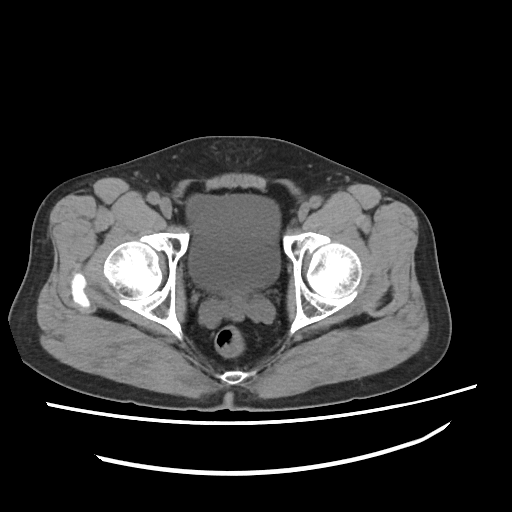
Abdominal CT; axial plane, index 16; abdomen soft-tissue window; 512x512 px; Aquilion ONE scanner; scan has 15 labeled organs (counted over the whole 3D scan, not this slice; an organ is boxed only where this slice passes through it)
Organ boxes in pixel coordinates; each row gives the top-left (x1, y1) and bottom-right (x2, y2) corners.
| organ | x1 | y1 | x2 | y2 |
|---|---|---|---|---|
| bladder | 186 | 194 | 280 | 294 |